CT, abdomen/pelvis. axial view. abdomen soft-tissue window
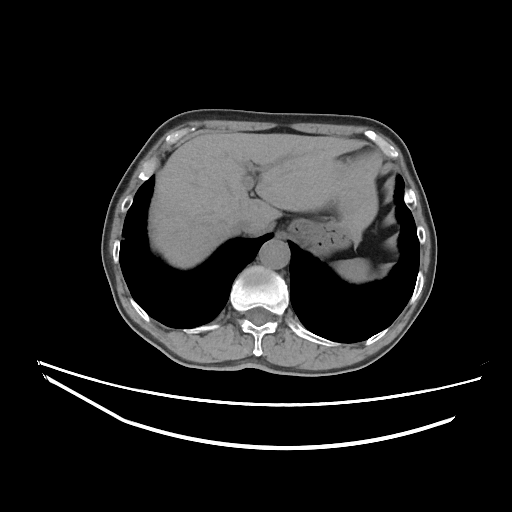

Boxes are (x1, y1, x2, y2) in pixels. The annotated organs in this slice are: aorta at (259, 240, 289, 269), inferior vena cava at (232, 218, 267, 233), stomach at (288, 206, 354, 254), spleen at (334, 258, 370, 281), liver at (151, 132, 380, 268).